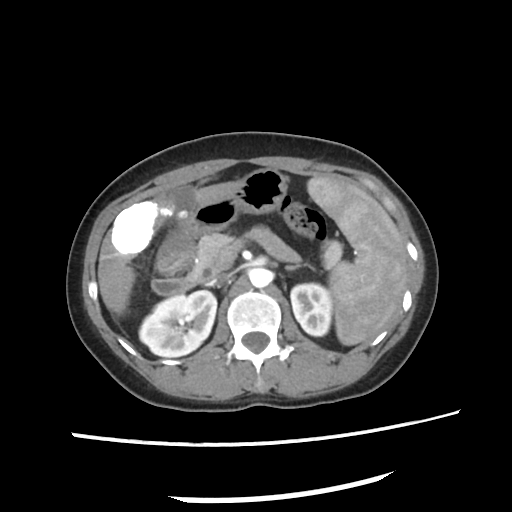

CT abdomen; axial plane, index 64; Aquilion ONE scanner; scan has 15 labeled organs (counted over the whole 3D scan, not this slice; an organ is boxed only where this slice passes through it)
<organs><organ name="liver" x1="98" y1="181" x2="238" y2="315"/><organ name="spleen" x1="308" y1="179" x2="407" y2="347"/><organ name="left adrenal gland" x1="286" y1="263" x2="314" y2="270"/><organ name="right kidney" x1="138" y1="290" x2="216" y2="356"/><organ name="gall bladder" x1="170" y1="184" x2="196" y2="219"/><organ name="left kidney" x1="290" y1="282" x2="332" y2="336"/><organ name="stomach" x1="157" y1="169" x2="288" y2="267"/><organ name="duodenum" x1="152" y1="253" x2="198" y2="294"/><organ name="pancreas" x1="187" y1="233" x2="340" y2="283"/><organ name="aorta" x1="249" y1="269" x2="272" y2="287"/><organ name="inferior vena cava" x1="208" y1="275" x2="229" y2="285"/></organs>